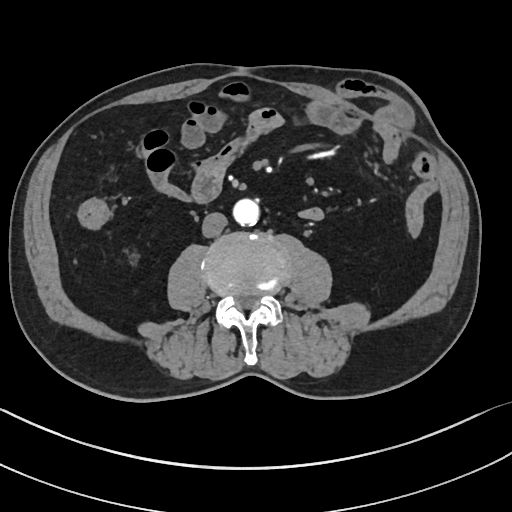

CT abdomen; Axial slice 116/306; abdomen soft-tissue window; 512x512 px
One row per box, in pixels: columns x1 and y1 give the top-left corner, x2 and y2 the bottom-right.
| organ | x1 | y1 | x2 | y2 |
|---|---|---|---|---|
| aorta | 233 | 199 | 260 | 225 |
| inferior vena cava | 201 | 213 | 227 | 237 |